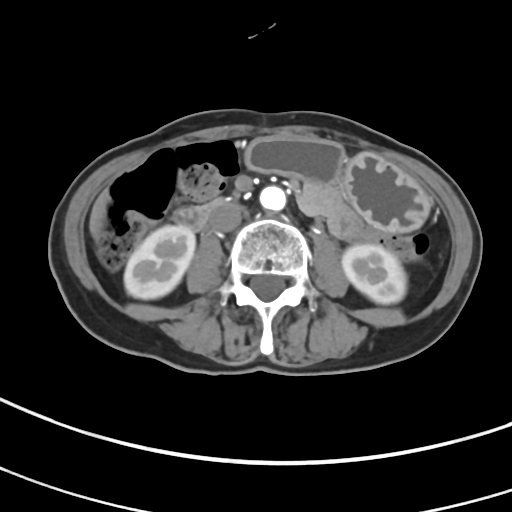
Computed tomography, abdomen; axial plane, index 45; abdomen soft-tissue window; 512x512 px; acquired on SOMATOM Force
{"organs":{"aorta":[260,185,286,211],"liver":[90,192,109,235],"right kidney":[124,225,195,299],"duodenum":[172,198,229,229],"inferior vena cava":[209,204,242,233],"left kidney":[342,244,406,303],"stomach":[245,136,430,231]}}